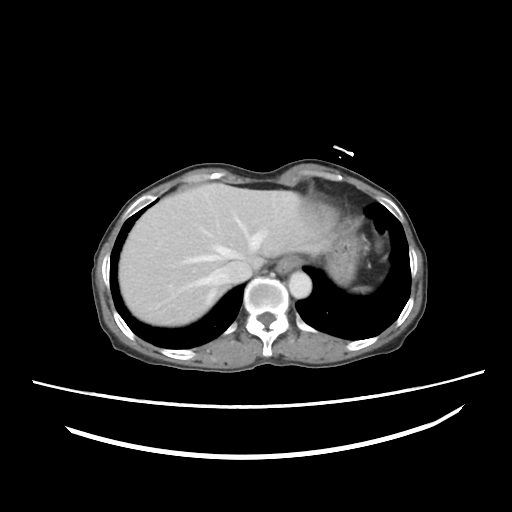
CT abdomen — axial view — Aquilion ONE scanner
Box edges are left/top/right/bottom in pixels.
Organ bounding boxes:
- spleen: left=352, top=288, right=371, bottom=293
- esophagus: left=276, top=255, right=302, bottom=276
- liver: left=120, top=183, right=327, bottom=325
- stomach: left=328, top=221, right=359, bottom=283
- aorta: left=289, top=271, right=311, bottom=297
- inferior vena cava: left=222, top=257, right=252, bottom=283